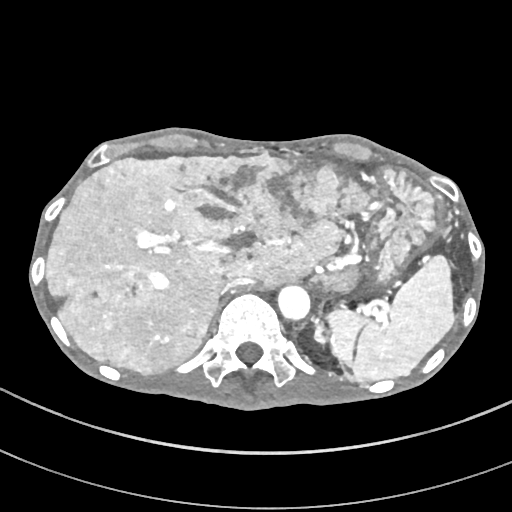

CT abdomen · axial plane, index 170 · abdomen soft-tissue window · SOMATOM Force scanner
Boxes: x1:y1:x2:y2 in pixels. 6 labeled organs on this slice — spleen at 325:254:454:381; liver at 46:154:372:374; stomach at 369:165:442:284; aorta at 278:286:310:321; inferior vena cava at 219:278:254:295; left adrenal gland at 314:322:326:346.